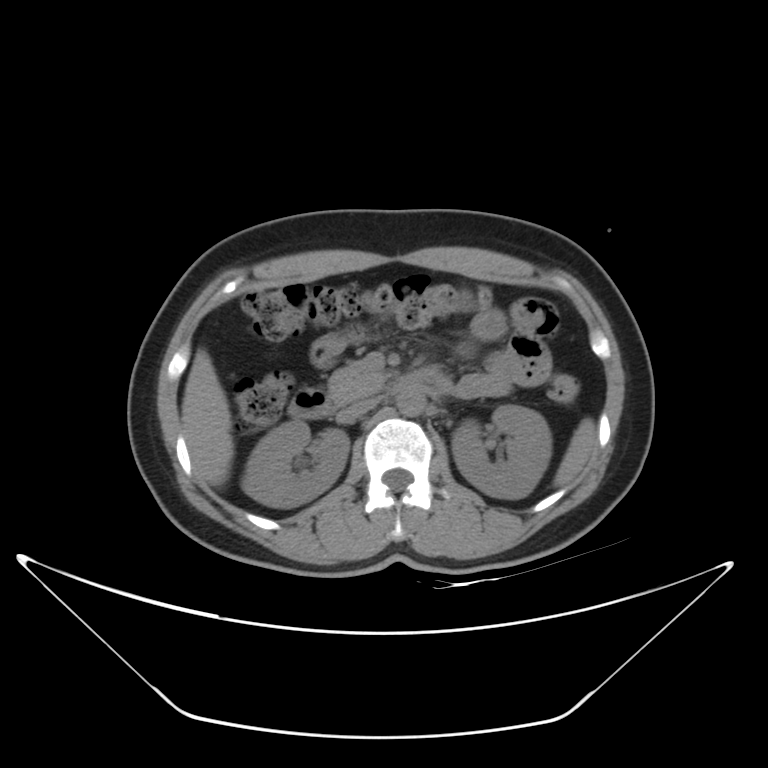 Computed tomography, abdomen · axial view · 768x768 px · 39-year-old female patient
Coordinates as <box>x1,y1,x2,y2</box> in pixels.
Organ bounding boxes:
- pancreas: <box>328,360,386,404</box>
- aorta: <box>396,387,426,417</box>
- right kidney: <box>240,420,349,507</box>
- spleen: <box>553,418,595,486</box>
- inferior vena cava: <box>337,397,379,423</box>
- duodenum: <box>287,367,451,418</box>
- liver: <box>181,349,233,486</box>
- left kidney: <box>451,404,551,498</box>